Abdominal CT. axial view. acquired on Aquilion ONE
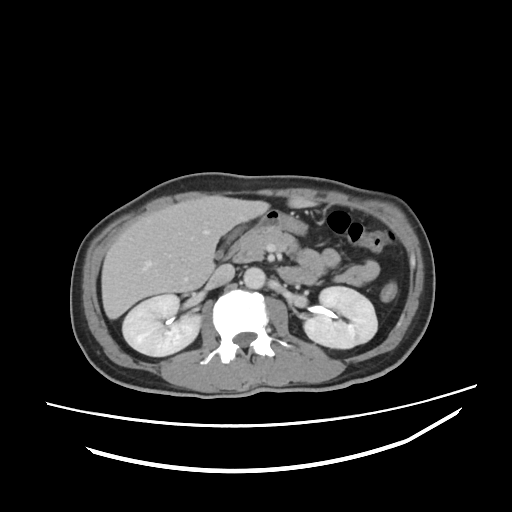 <organs><organ name="right kidney" x1="122" y1="294" x2="200" y2="356"/><organ name="left kidney" x1="303" y1="286" x2="377" y2="348"/><organ name="gall bladder" x1="214" y1="231" x2="235" y2="259"/><organ name="liver" x1="101" y1="195" x2="315" y2="319"/><organ name="stomach" x1="260" y1="210" x2="307" y2="234"/><organ name="aorta" x1="243" y1="267" x2="265" y2="289"/><organ name="inferior vena cava" x1="209" y1="264" x2="234" y2="287"/><organ name="pancreas" x1="233" y1="226" x2="297" y2="262"/><organ name="duodenum" x1="228" y1="244" x2="239" y2="261"/></organs>